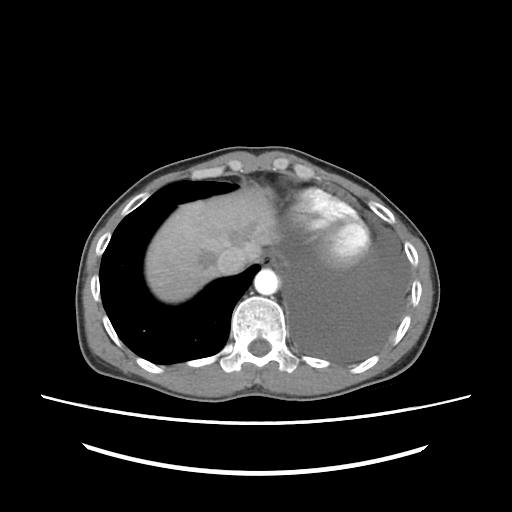

Computed tomography, abdomen · axial view · soft-tissue window (W 400 / L 40) · 512x512 px
Bounding boxes in pixels, one row per box: x1, y1 is the top-left corner and x2, y2 the bottom-right.
| organ | x1 | y1 | x2 | y2 |
|---|---|---|---|---|
| esophagus | 259 | 253 | 275 | 266 |
| liver | 146 | 188 | 280 | 302 |
| inferior vena cava | 216 | 246 | 247 | 274 |
| aorta | 254 | 268 | 279 | 295 |